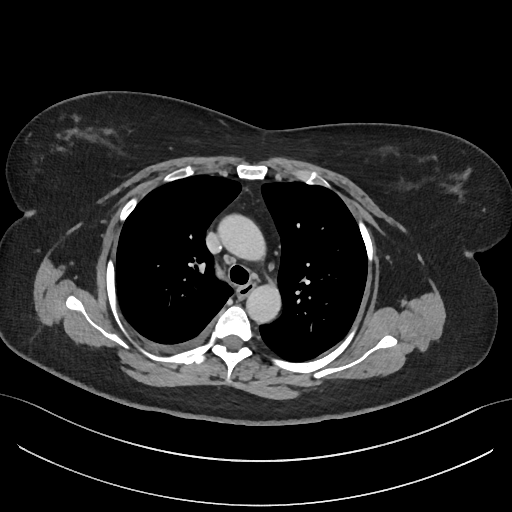
CT of the abdomen extending into the chest, slice through the chest — axial view — W/L 400/40 HU — 512x512 px
At this level of the chest no structure but the esophagus and the aorta has a label in this dataset, and those two are boxed only where they are labeled.
{"organs":{"esophagus":[237,283,254,296],"aorta":[[218,214,265,260],[246,284,281,323]]}}